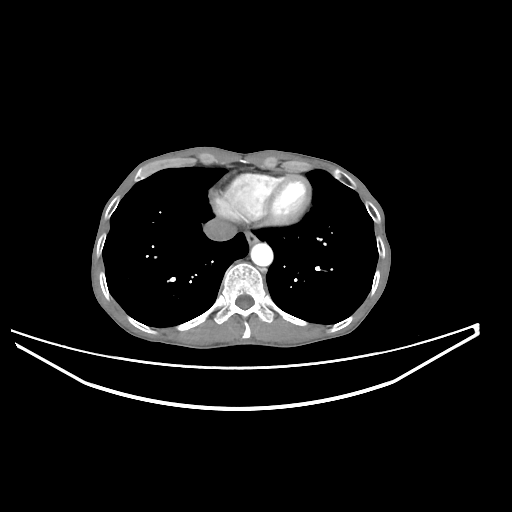
Lower-chest slice from an abdominal CT, just above the liver and spleen — axial plane, index 81 — soft-tissue window — 60-year-old male patient
Of the structures in the chest, this dataset labels only the esophagus, the aorta and the inferior vena cava; the heart and lungs have no label.
Box edges are left/top/right/bottom in pixels.
Organ bounding boxes:
- esophagus: left=245, top=230, right=259, bottom=245
- aorta: left=250, top=243, right=273, bottom=266
- inferior vena cava: left=203, top=218, right=236, bottom=241